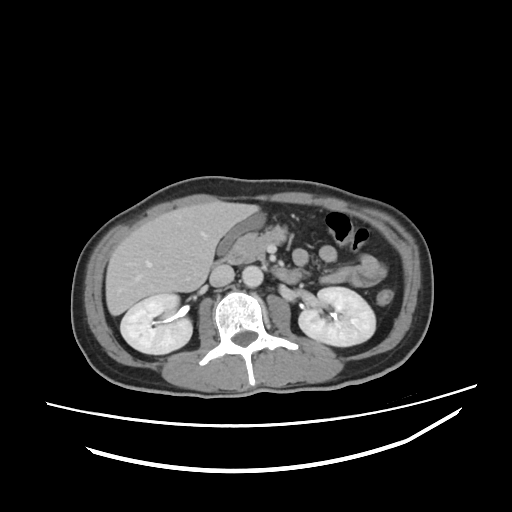 Computed tomography, abdomen — axial view — 512x512 px
{"organs":{"right kidney":[120,293,192,354],"left kidney":[298,287,375,346],"gall bladder":[217,214,262,254],"liver":[105,200,259,315],"aorta":[242,265,263,287],"inferior vena cava":[209,265,234,286],"pancreas":[229,226,285,263],"duodenum":[217,250,301,283]}}